CT, abdomen/pelvis · axial view · soft-tissue window (W 400 / L 40) · 512x512 px · 15 organs annotated in this scan (that count is for the whole scan; organs this slice misses have no box)
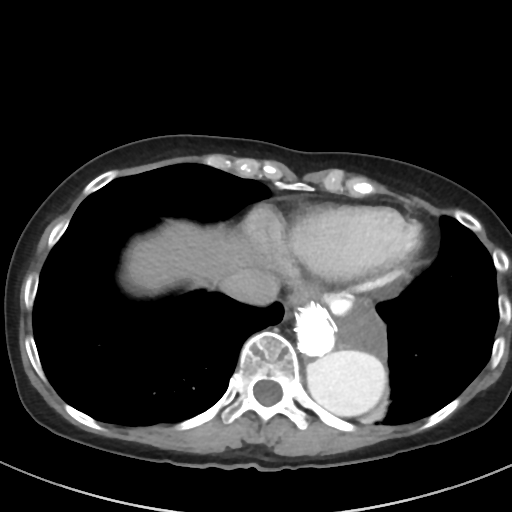

Boxes are (x1, y1, x2, y2) in pixels. Labeled organs on this slice: esophagus at (289, 293, 308, 311), liver at (127, 221, 251, 291), aorta at (295, 294, 387, 418), inferior vena cava at (219, 269, 278, 305).